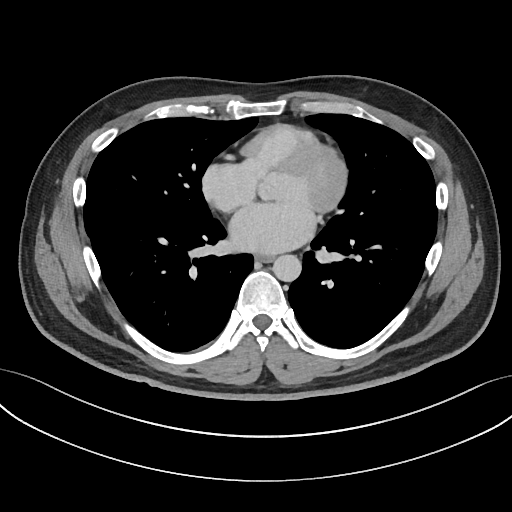 Abdominal CT; this slice is in the lower chest, just above the liver — axial plane, index 259 — 512x512 px
Of the structures in the chest, this dataset labels only the esophagus, the aorta and the inferior vena cava; the heart and lungs have no label.
Organ boxes in pixel coordinates; each row gives the top-left (x1, y1) and bottom-right (x2, y2) corners.
| organ | x1 | y1 | x2 | y2 |
|---|---|---|---|---|
| esophagus | 255 | 254 | 274 | 262 |
| aorta | 272 | 254 | 301 | 281 |